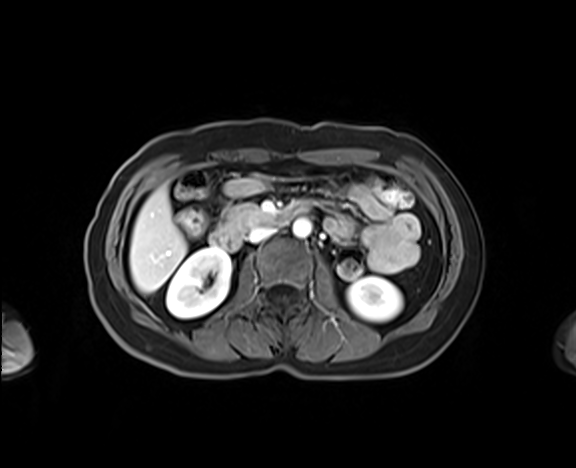

MRI, abdomen · axial view · percentile-normalized · 576x468 px · 13 organs annotated in this scan (a whole-scan count: organs this slice does not pass through have no box)
Boxes: x1:y1:x2:y2 in pixels.
right kidney: 166:247:231:318
left kidney: 347:276:402:321
liver: 129:186:186:293
aorta: 292:219:311:237
inferior vena cava: 247:227:274:242
pancreas: 221:204:270:234
duodenum: 210:204:307:250